Abdominal MR. coronal acquisition
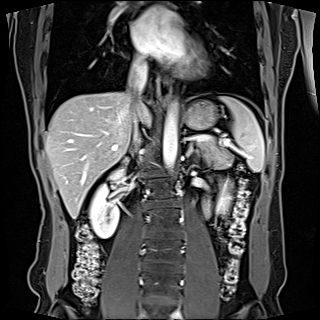
<organs><organ name="spleen" x1="220" y1="96" x2="264" y2="172"/><organ name="right kidney" x1="90" y1="170" x2="124" y2="238"/><organ name="left kidney" x1="212" y1="184" x2="231" y2="212"/><organ name="esophagus" x1="159" y1="77" x2="170" y2="104"/><organ name="liver" x1="45" y1="92" x2="135" y2="218"/><organ name="stomach" x1="183" y1="99" x2="218" y2="130"/><organ name="aorta" x1="163" y1="104" x2="177" y2="171"/><organ name="inferior vena cava" x1="128" y1="62" x2="147" y2="142"/><organ name="pancreas" x1="198" y1="141" x2="232" y2="167"/><organ name="right adrenal gland" x1="130" y1="145" x2="137" y2="146"/><organ name="left adrenal gland" x1="186" y1="143" x2="194" y2="158"/></organs>